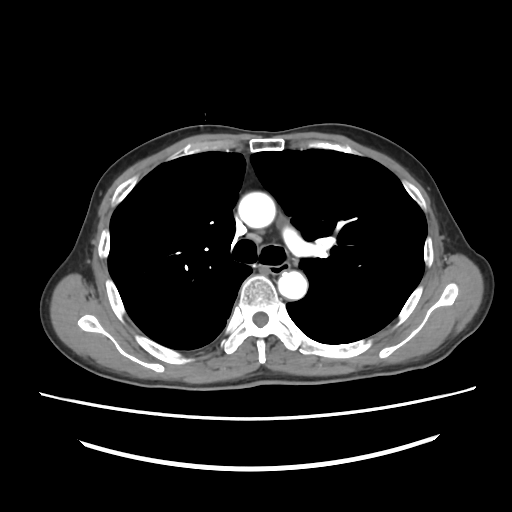

Abdominal CT reaching into the chest; this slice is in the chest — axial plane, index 106 — W/L 400/40 HU — 512x512 px — 65-year-old male patient
On a slice this high in the chest, this dataset labels only the esophagus and the aorta, and each is boxed only where it is labeled; the heart, lungs and other chest structures are not labeled.
<organs><organ name="esophagus" x1="267" y1="262" x2="289" y2="276"/><organ name="aorta" x1="238" y1="192" x2="275" y2="228"/><organ name="aorta" x1="278" y1="271" x2="307" y2="299"/></organs>